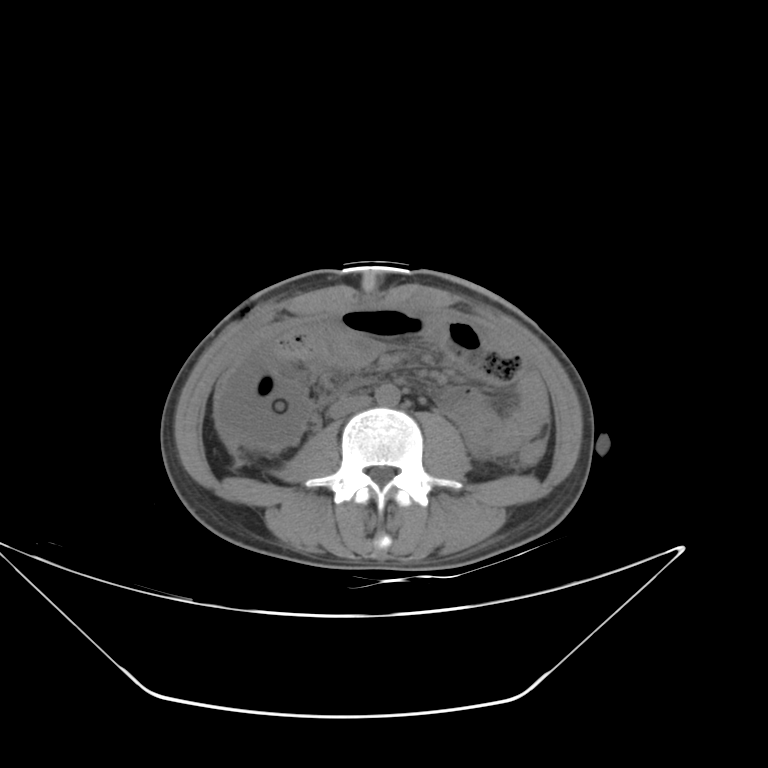 CT abdomen. Axial slice 51/103. abdomen soft-tissue window. 768x768 px. 24-year-old male patient
{"organs":{"aorta":[375,384,400,406],"inferior vena cava":[329,395,370,418]}}